CT abdomen; axial view; Aquilion ONE scanner
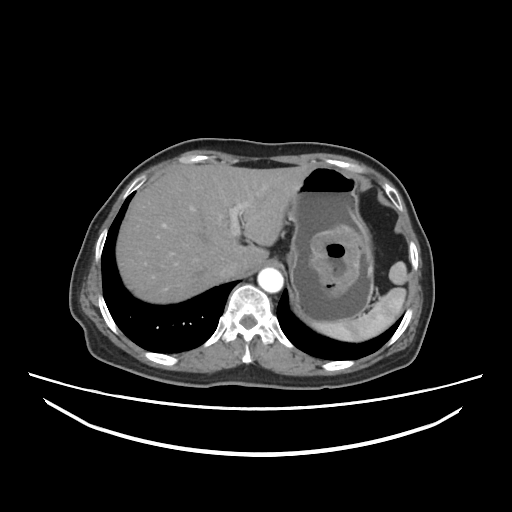 {"organs":{"spleen":[306,261,406,342],"inferior vena cava":[218,262,236,275],"aorta":[258,268,284,293],"stomach":[286,166,373,321],"liver":[115,163,312,303]}}